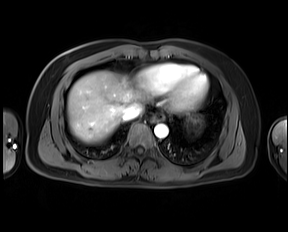
Abdominal MRI · axial view · 1st–99th percentile window
Bounding boxes as [x1, y1, x2, y2] in pixel coordinates.
esophagus: [152, 113, 164, 121]
liver: [67, 70, 148, 143]
stomach: [186, 115, 202, 134]
aorta: [154, 124, 168, 138]
inferior vena cava: [122, 104, 142, 120]